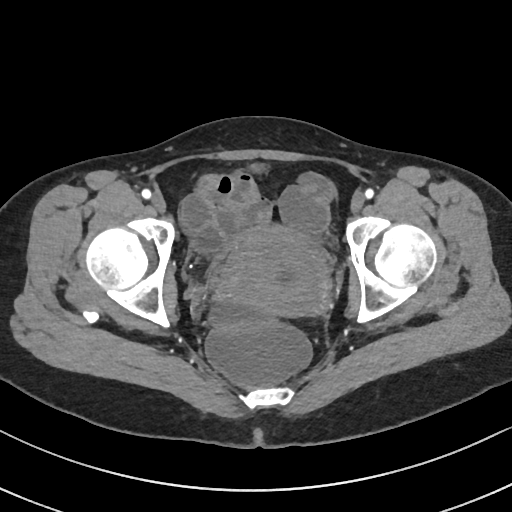
CT, abdomen/pelvis — axial view — soft-tissue window
Bounding boxes as [x1, y1, x2, y2] in pixel coordinates.
prostate/uterus: [215, 227, 331, 318]